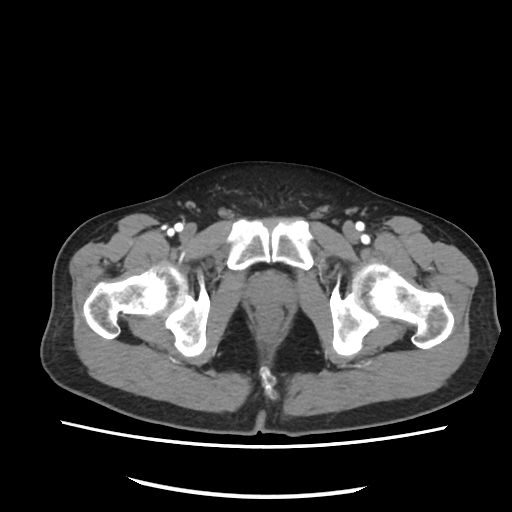 Abdominal CT. axial view. abdomen soft-tissue window. 66-year-old male patient
Boxes are (x1, y1, x2, y2) in pixels.
Organ bounding boxes:
- prostate/uterus: (250, 275, 290, 305)